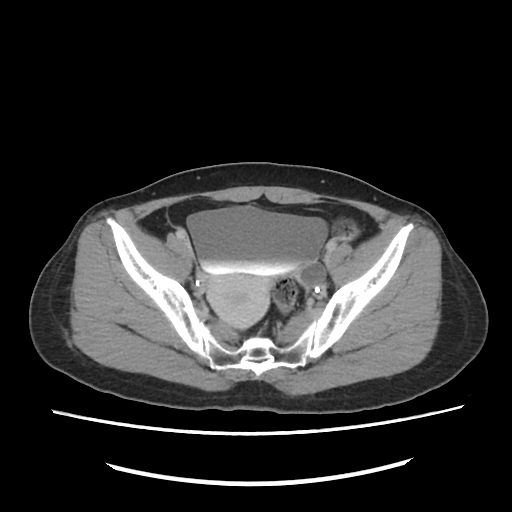
Abdominal CT — axial view — abdomen soft-tissue window — 512x512 px — 15 organs annotated in this scan (a whole-scan count: organs this slice does not pass through have no box)
Organ boxes in pixel coordinates; each row gives the top-left (x1, y1) and bottom-right (x2, y2) corners.
| organ | x1 | y1 | x2 | y2 |
|---|---|---|---|---|
| bladder | 187 | 206 | 329 | 276 |
| prostate/uterus | 207 | 262 | 326 | 327 |